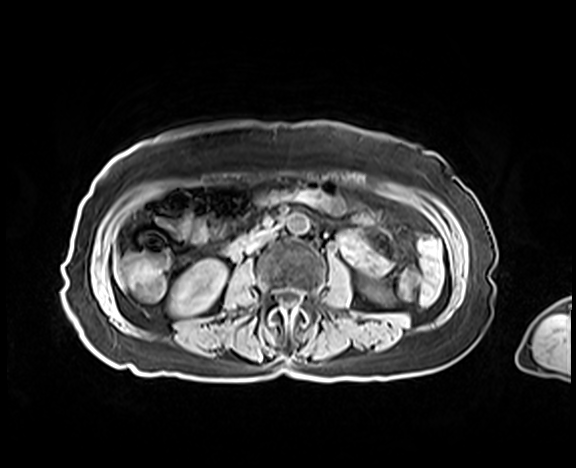

Abdominal MR. axial view. 1st–99th percentile window
{"organs":{"inferior vena cava":[248,229,275,250],"aorta":[286,213,309,234],"duodenum":[231,237,251,252],"left kidney":[367,284,388,302],"right kidney":[169,259,226,315]}}